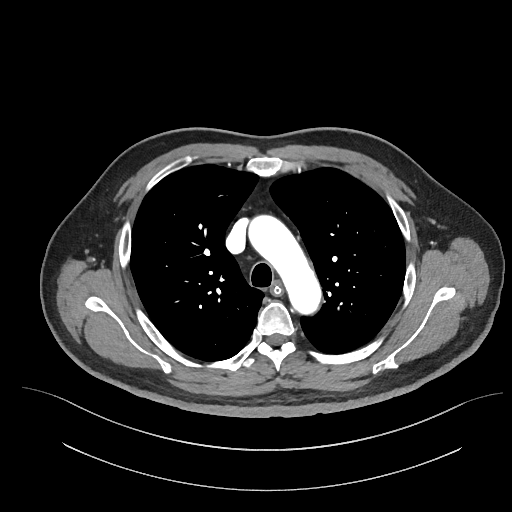
Chest-level slice from an abdominal CT that extends up into the chest — axial view — 512x512 px
On a slice this high in the chest, this dataset labels only the esophagus and the aorta, and each is boxed only where it is labeled; the heart, lungs and other chest structures are not labeled.
Each box given as x1,y1,x2,y2.
Organ bounding boxes:
- esophagus: x1=271, y1=283, x2=281, y2=293
- aorta: x1=250, y1=217, x2=320, y2=312